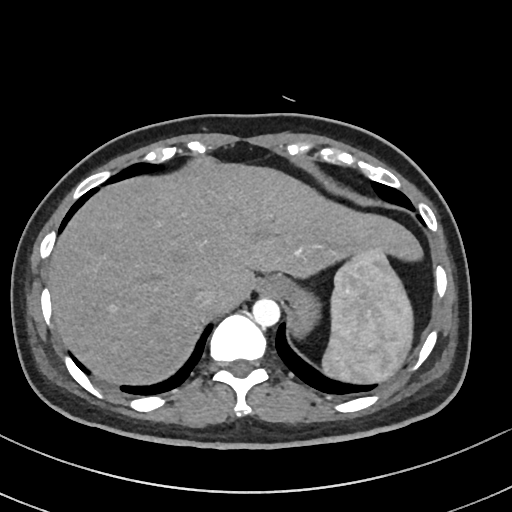 Computed tomography, abdomen. axial plane, index 173. soft-tissue window. 512x512 px
<organs><organ name="spleen" x1="320" y1="249" x2="413" y2="383"/><organ name="esophagus" x1="254" y1="276" x2="283" y2="296"/><organ name="liver" x1="50" y1="160" x2="422" y2="383"/><organ name="stomach" x1="280" y1="280" x2="316" y2="337"/><organ name="aorta" x1="252" y1="298" x2="280" y2="327"/><organ name="inferior vena cava" x1="191" y1="284" x2="219" y2="308"/></organs>